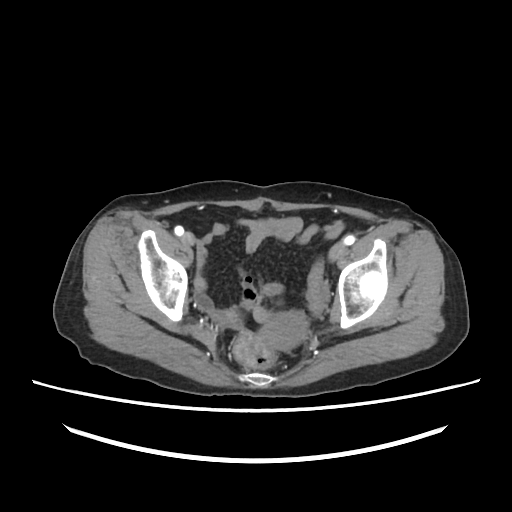
Computed tomography, abdomen — axial view — soft-tissue window (W 400 / L 40) — 15 organs annotated in this scan (that count is for the whole scan; organs this slice misses have no box)
<organs><organ name="prostate/uterus" x1="259" y1="311" x2="306" y2="349"/></organs>